Abdominal CT; this slice is in the lower chest, just above the liver · axial view · 512x512 px
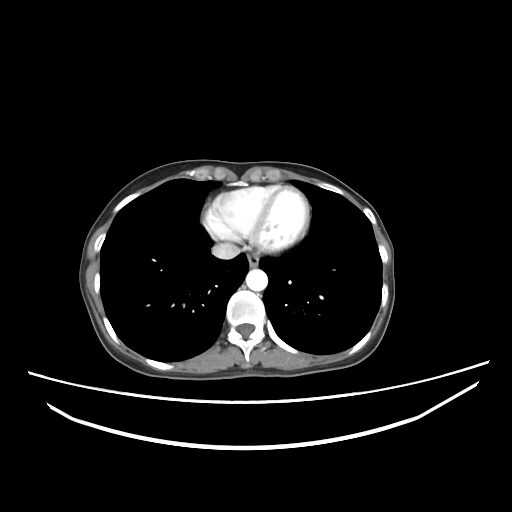
No part of the heart or lungs is labeled in this dataset, so neither has a box here.
<organs><organ name="esophagus" x1="247" y1="252" x2="259" y2="267"/><organ name="inferior vena cava" x1="211" y1="242" x2="240" y2="259"/><organ name="aorta" x1="246" y1="269" x2="267" y2="291"/></organs>